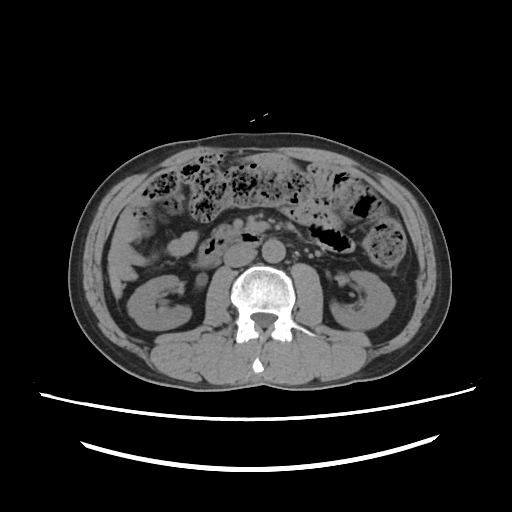 CT, abdomen/pelvis; axial view; 55-year-old male patient
Boxes: x1 y1 x2 y2 (pixel coords, space-separated).
Organ bounding boxes:
- duodenum: 199 230 264 265
- right kidney: 128 276 191 330
- aorta: 261 238 286 262
- pancreas: 209 226 239 237
- liver: 109 261 121 297
- inferior vena cava: 224 247 256 266
- left kidney: 331 269 395 329